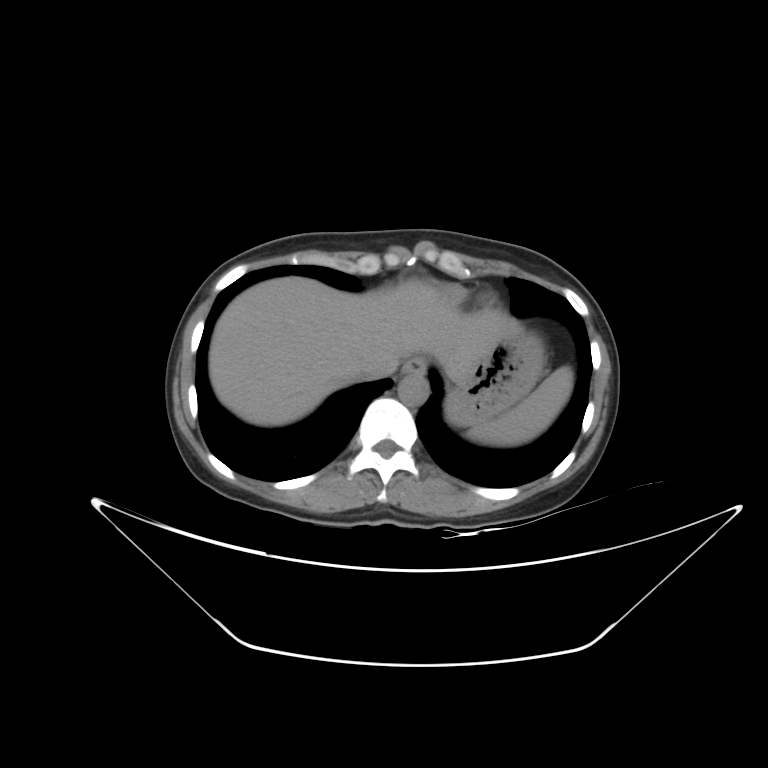 Computed tomography, abdomen; Axial slice 82/83; 38-year-old female patient
Each box given as x1,y1,x2,y2.
aorta: x1=398, y1=375, x2=429, y2=406
inferior vena cava: x1=353, y1=361, x2=386, y2=380
esophagus: x1=402, y1=358, x2=426, y2=375
stomach: x1=446, y1=330, x2=545, y2=425
spleen: x1=465, y1=366, x2=573, y2=446
liver: x1=209, y1=277, x2=520, y2=425